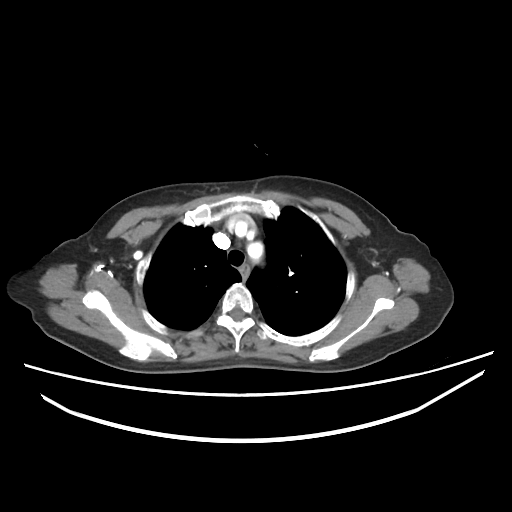

Abdominal CT reaching into the chest; this slice is in the chest — Axial slice 113/122 — soft-tissue window — 63-year-old female patient
At this level of the chest this dataset labels only the esophagus and the aorta, and each is boxed only where it is labeled; the heart and lungs are never labeled.
Coordinates as <box>x1,y1,x2,y2</box> in pixels.
Organ bounding boxes:
- aorta: <box>246,242,264,260</box>